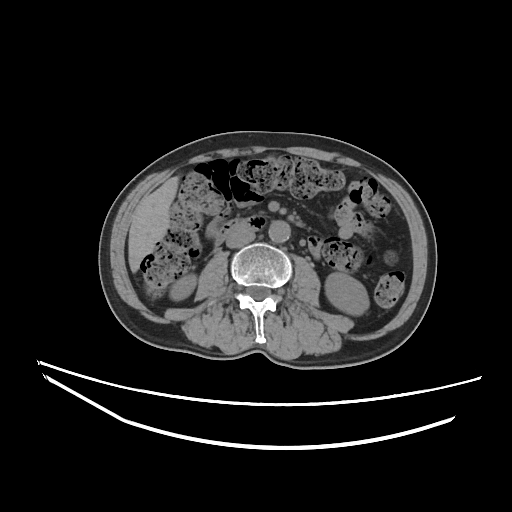 CT abdomen. Axial slice 58/89. soft-tissue window. 68-year-old male patient. acquired on Aquilion ONE. 15 organs annotated in this scan (counted over the whole 3D scan, not this slice; an organ is boxed only where this slice passes through it)
Boxes: x1 y1 x2 y2 (pixel coords, space-separated).
Organ bounding boxes:
- right kidney: 170 274 196 300
- left kidney: 325 272 369 315
- liver: 128 176 178 272
- aorta: 268 220 290 242
- inferior vena cava: 226 226 255 248
- duodenum: 214 215 266 243